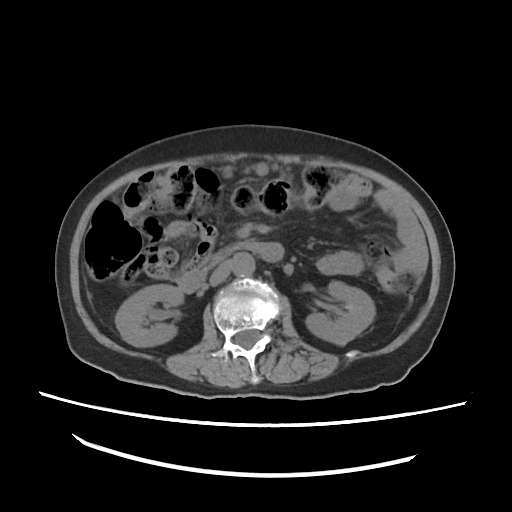

Computed tomography, abdomen — Axial slice 59/100 — scan has 15 labeled organs (that count is for the whole scan; organs this slice misses have no box)
Coordinates as <box>x1,y1,x2,y2</box> in pixels.
Organ bounding boxes:
- right kidney: <box>116,284,183,347</box>
- left kidney: <box>306,281,373,343</box>
- aorta: <box>229,253,255,277</box>
- inferior vena cava: <box>209,261,230,284</box>
- duodenum: <box>177,241,282,294</box>